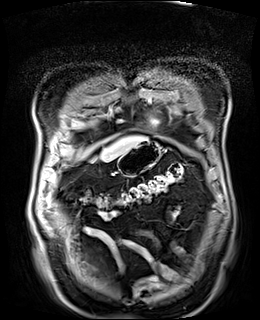
Abdominal MR — Coronal slice 128/144 — percentile-normalized — 13 organs annotated in this scan (counted over the whole 3D scan, not this slice; an organ is boxed only where this slice passes through it)
Coordinates as <box>x1,y1,x2,y2</box> in pixels.
Organ bounding boxes:
- liver: <box>100,136,145,161</box>
- stomach: <box>118,140,160,176</box>